Abdominal CT; this slice is in the lower chest, just above the liver; axial view; scan has 15 labeled organs (that count is for the whole scan; organs this slice misses have no box)
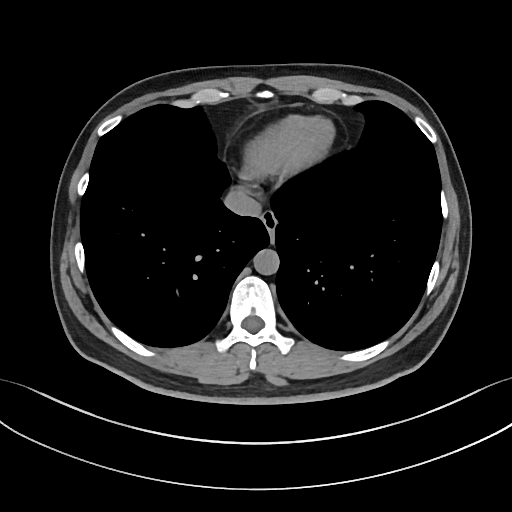 No part of the heart or lungs is labeled in this dataset, so neither has a box here.
Each box given as x1,y1,x2,y2.
Organ bounding boxes:
- aorta: x1=253, y1=249, x2=279, y2=274
- esophagus: x1=261, y1=211, x2=277, y2=238
- inferior vena cava: x1=224, y1=187, x2=261, y2=217